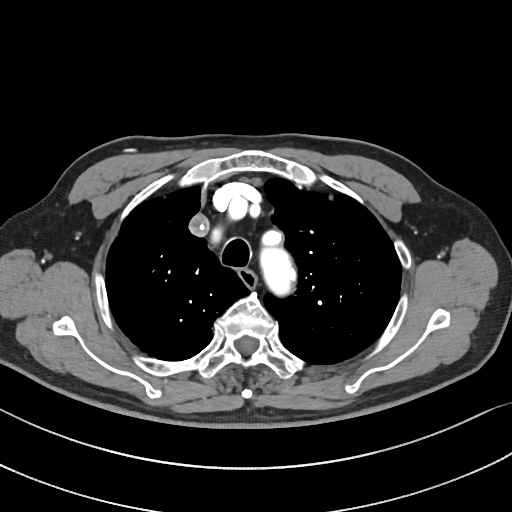 CT of the abdomen extending into the chest, slice through the chest · Axial slice 278/306 · 512x512 px
At this level of the chest this dataset labels only the esophagus and the aorta, and each is boxed only where it is labeled; the heart and lungs are never labeled.
{"organs":{"esophagus":[238,270,256,290],"aorta":[259,246,295,295]}}